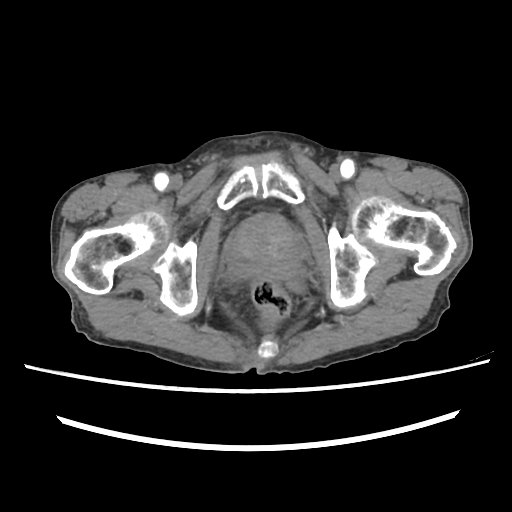 CT abdomen. axial plane, index 10. abdomen soft-tissue window
Organ boxes in pixel coordinates; each row gives the top-left (x1, y1) and bottom-right (x2, y2) corners.
| organ | x1 | y1 | x2 | y2 |
|---|---|---|---|---|
| prostate/uterus | 227 | 214 | 300 | 277 |